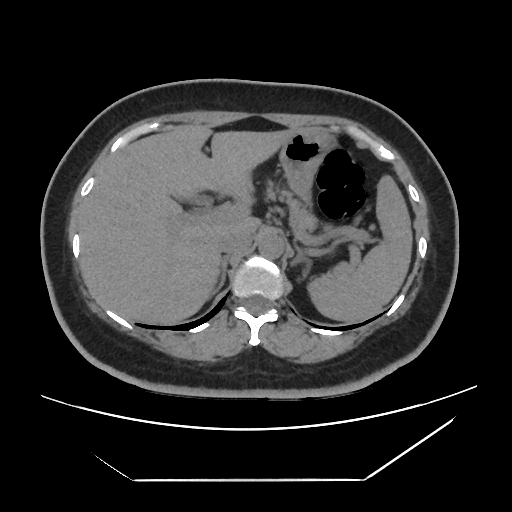
Abdominal CT — axial view — soft-tissue window (W 400 / L 40) — 512x512 px
Boxes: x1:y1:x2:y2 in pixels.
Organ bounding boxes:
- spleen: 308:175:412:322
- gall bladder: 179:197:203:203
- liver: 79:125:295:324
- stomach: 279:128:334:200
- aorta: 258:232:284:258
- inferior vena cava: 217:231:251:253
- pancreas: 266:187:317:231
- right adrenal gland: 212:256:228:294
- left adrenal gland: 291:246:306:265